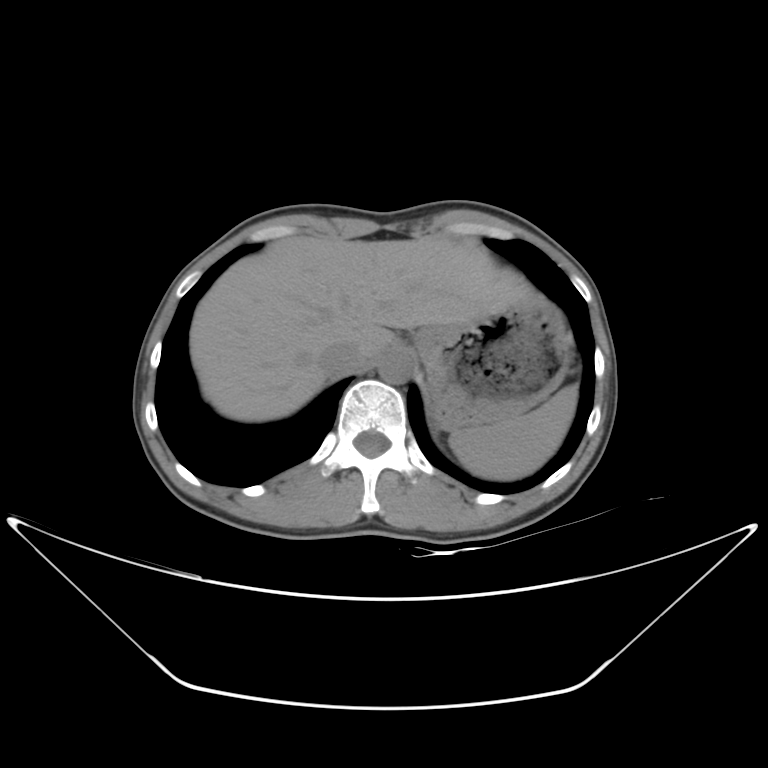

CT, abdomen/pelvis; axial view; 30-year-old male patient; scan has 15 labeled organs (that count is for the whole scan; organs this slice misses have no box)
Boxes are (x1, y1, x2, y2) in pixels.
Organ bounding boxes:
- aorta: (378, 353, 411, 383)
- liver: (190, 236, 536, 421)
- inferior vena cava: (318, 342, 365, 375)
- spleen: (449, 385, 577, 480)
- stomach: (414, 298, 570, 429)